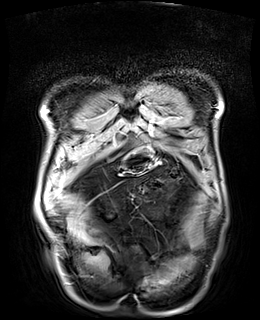 Abdominal MRI — coronal plane, index 134 — 1st–99th percentile window — 260x320 px — 13 organs annotated in this scan (counted over the whole 3D scan, not this slice; an organ is boxed only where this slice passes through it)
<organs><organ name="stomach" x1="123" y1="146" x2="153" y2="173"/></organs>